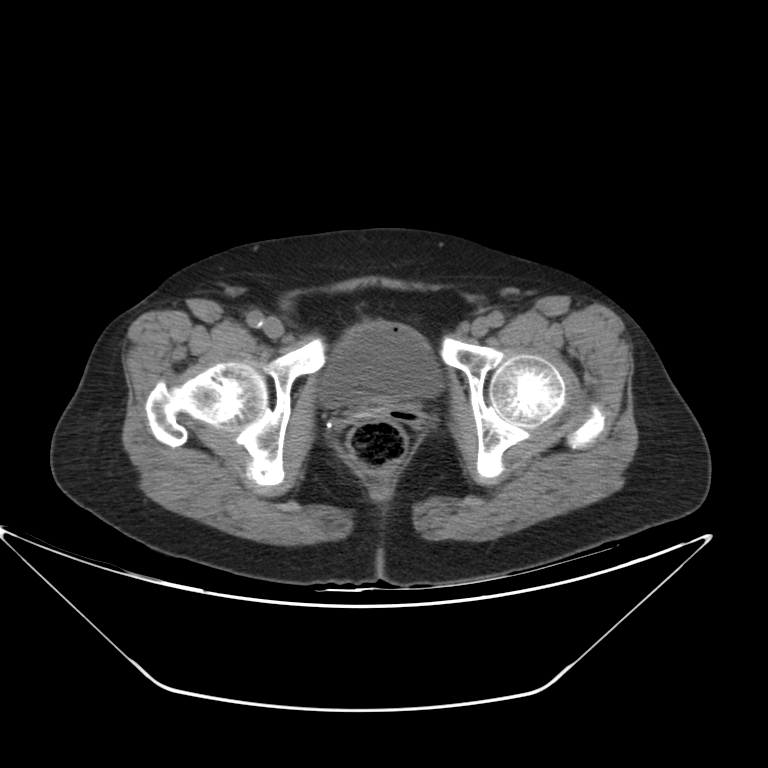

Computed tomography, abdomen; axial view; soft-tissue window; 768x768 px
{"organs":{"bladder":[321,322,441,406]}}